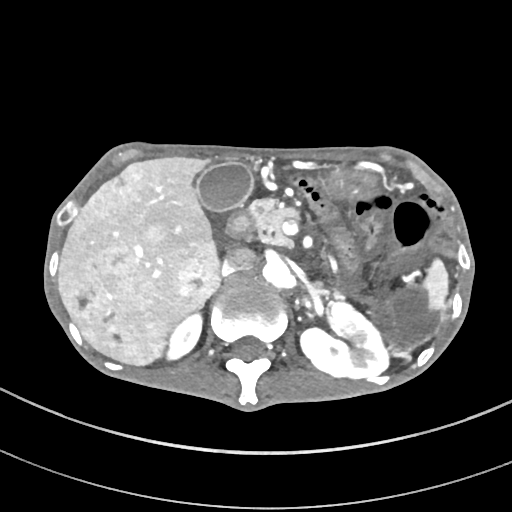
CT abdomen — axial view
Organ boxes in pixel coordinates; each row gives the top-left (x1, y1) and bottom-right (x2, y2) corners.
| organ | x1 | y1 | x2 | y2 |
|---|---|---|---|---|
| liver | 58 | 157 | 220 | 365 |
| gall bladder | 195 | 163 | 252 | 211 |
| aorta | 263 | 259 | 294 | 288 |
| inferior vena cava | 223 | 248 | 254 | 274 |
| pancreas | 250 | 199 | 297 | 246 |
| left kidney | 300 | 302 | 388 | 378 |
| spleen | 423 | 259 | 448 | 310 |
| stomach | 326 | 170 | 378 | 200 |
| duodenum | 226 | 209 | 254 | 238 |
| right kidney | 167 | 313 | 201 | 359 |